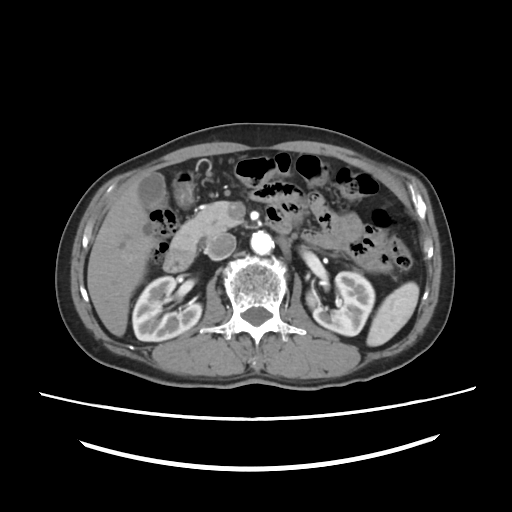
Abdominal CT. axial view. W/L 400/40 HU. 65-year-old male patient
Organ boxes in pixel coordinates; each row gives the top-left (x1, y1) and bottom-right (x2, y2) corners.
| organ | x1 | y1 | x2 | y2 |
|---|---|---|---|---|
| gall bladder | 139 | 172 | 165 | 209 |
| right kidney | 132 | 276 | 201 | 341 |
| duodenum | 163 | 168 | 290 | 272 |
| aorta | 250 | 231 | 273 | 254 |
| inferior vena cava | 205 | 232 | 236 | 260 |
| liver | 87 | 176 | 154 | 336 |
| pancreas | 172 | 201 | 243 | 249 |
| spleen | 366 | 282 | 419 | 346 |
| left kidney | 306 | 271 | 374 | 335 |